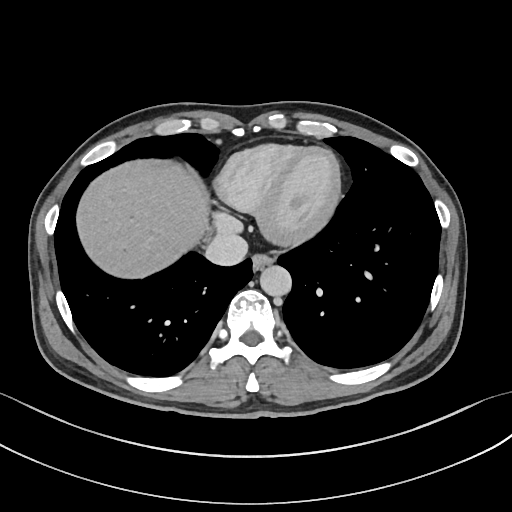
Abdominal CT — axial plane, index 217 — soft-tissue window (W 400 / L 40) — 14 organs annotated in this scan (counted over the whole 3D scan, not this slice; an organ is boxed only where this slice passes through it)
One row per box, in pixels: columns x1 and y1 give the top-left corner, x2 and y2 the bottom-right.
| organ | x1 | y1 | x2 | y2 |
|---|---|---|---|---|
| liver | 77 | 161 | 208 | 278 |
| esophagus | 252 | 255 | 273 | 271 |
| inferior vena cava | 205 | 232 | 248 | 265 |
| aorta | 260 | 266 | 292 | 297 |